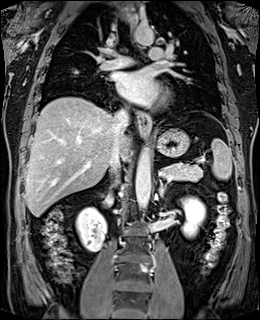 Abdominal MR. coronal view. 260x320 px
Boxes: x1:y1:x2:y2 in pixels.
liver: 25:96:130:216
left kidney: 181:197:205:237
inferior vena cava: 110:109:128:184
left adrenal gland: 159:179:167:196
right kidney: 76:207:106:252
esophagus: 136:111:150:135
aorta: 135:146:150:209
aorta: 134:24:154:44
pancreas: 162:163:202:181
stomach: 156:128:189:157
spleen: 212:138:231:179